Abdominal CT reaching into the chest; this slice is in the chest. axial view. soft-tissue window
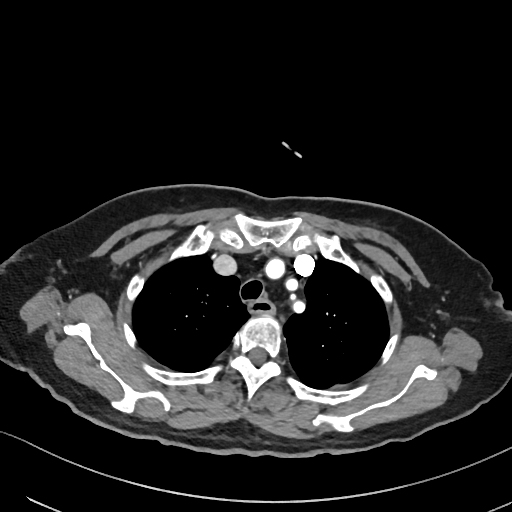
At this level of the chest no structure but the esophagus and the aorta has a label in this dataset, and those two are boxed only where they are labeled.
<organs><organ name="esophagus" x1="249" y1="299" x2="273" y2="313"/></organs>